CT, abdomen/pelvis. Axial slice 47/306. acquired on SOMATOM Force. 15 organs annotated in this scan (counted over the whole 3D scan, not this slice; an organ is boxed only where this slice passes through it)
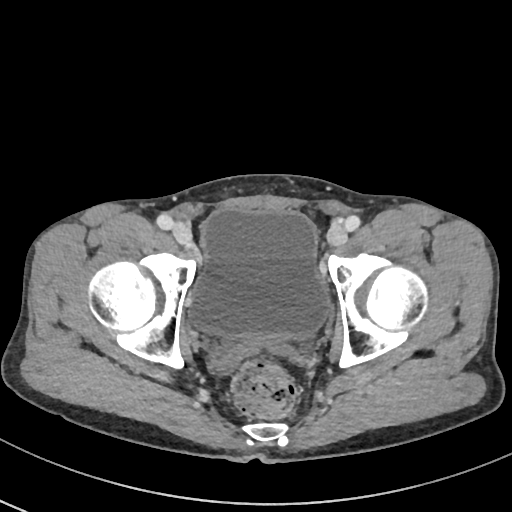 {"organs":{"bladder":[189,209,330,336]}}